Computed tomography, abdomen · axial view · soft-tissue window · 512x512 px · acquired on SOMATOM Force · scan has 15 labeled organs (that count is for the whole scan; organs this slice misses have no box)
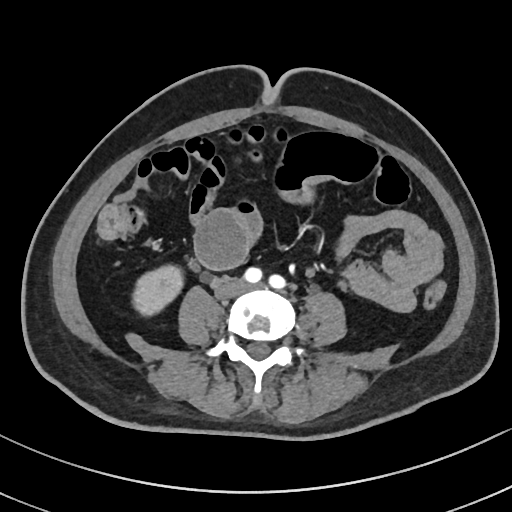
<organs><organ name="right kidney" x1="132" y1="265" x2="182" y2="314"/><organ name="inferior vena cava" x1="218" y1="281" x2="245" y2="295"/></organs>